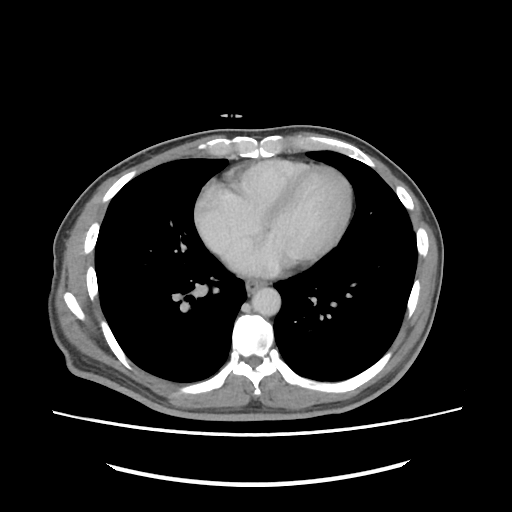
Abdominal CT; this slice is in the lower chest, just above the liver — axial plane, index 91 — 512x512 px — acquired on Aquilion ONE — scan has 15 labeled organs (a whole-scan count: organs this slice does not pass through have no box)
Of the structures in the chest, this dataset labels only the esophagus, the aorta and the inferior vena cava; the heart and lungs have no label.
Organ boxes in pixel coordinates; each row gives the top-left (x1, y1) and bottom-right (x2, y2) corners.
| organ | x1 | y1 | x2 | y2 |
|---|---|---|---|---|
| aorta | 251 | 287 | 280 | 315 |
| esophagus | 246 | 279 | 265 | 292 |